CT abdomen — axial view
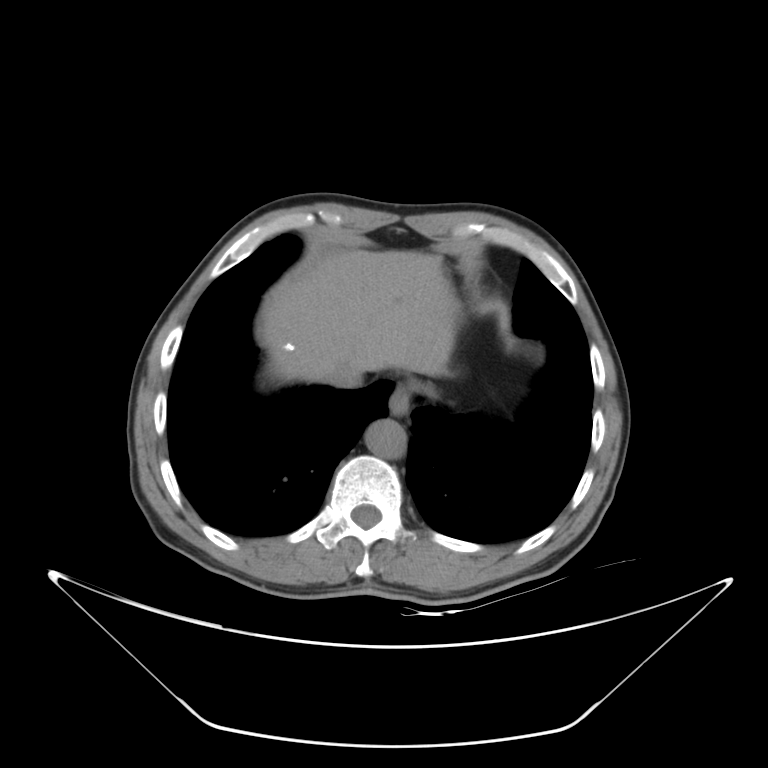 <organs><organ name="esophagus" x1="389" y1="385" x2="410" y2="415"/><organ name="liver" x1="265" y1="249" x2="457" y2="382"/><organ name="aorta" x1="365" y1="420" x2="406" y2="459"/><organ name="inferior vena cava" x1="327" y1="360" x2="362" y2="388"/></organs>